CT, abdomen/pelvis. axial view. soft-tissue window. 512x512 px
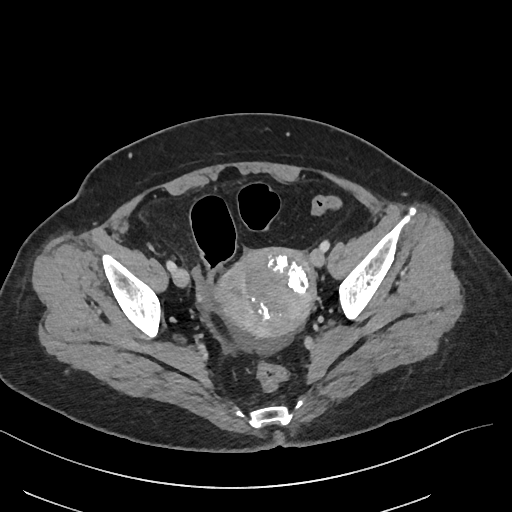

<organs><organ name="prostate/uterus" x1="216" y1="247" x2="315" y2="337"/></organs>